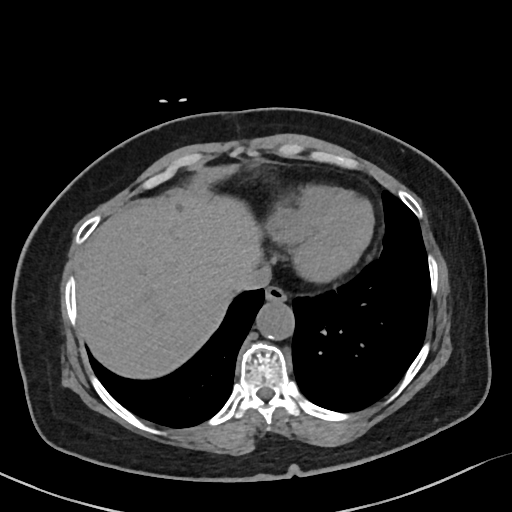

Abdominal CT; axial view; W/L 400/40 HU; 512x512 px; SOMATOM Force scanner
Box edges are left/top/right/bottom in pixels.
esophagus: left=266, top=286, right=286, bottom=300
liver: left=77, top=194, right=260, bottom=379
aorta: left=255, top=301, right=293, bottom=339
inferior vena cava: left=235, top=265, right=271, bottom=292